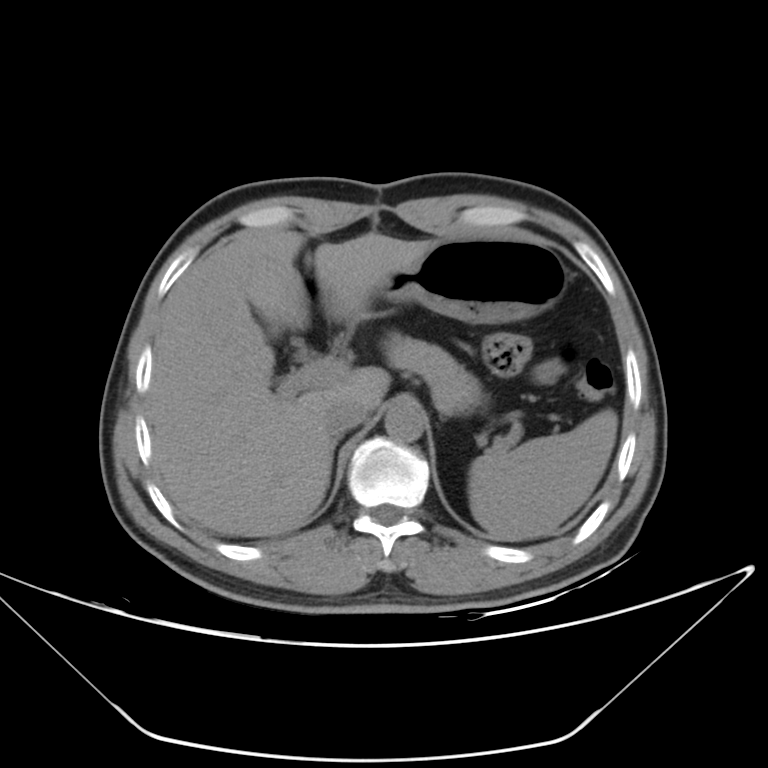 CT, abdomen/pelvis. axial plane, index 78. abdomen soft-tissue window. acquired on Brilliance16
Boxes: x1:y1:x2:y2 in pixels.
spleen: 468:409:618:541
gall bladder: 258:313:278:336
liver: 146:228:434:536
stomach: 377:237:565:323
aorta: 384:402:425:442
inferior vena cava: 324:397:367:438
pancreas: 384:332:483:413
right adrenal gland: 332:438:338:452